Lower-chest slice from an abdominal CT, just above the liver and spleen — Axial slice 238/242 — soft-tissue window — 512x512 px — 15 organs annotated in this scan (that count is for the whole scan; organs this slice misses have no box)
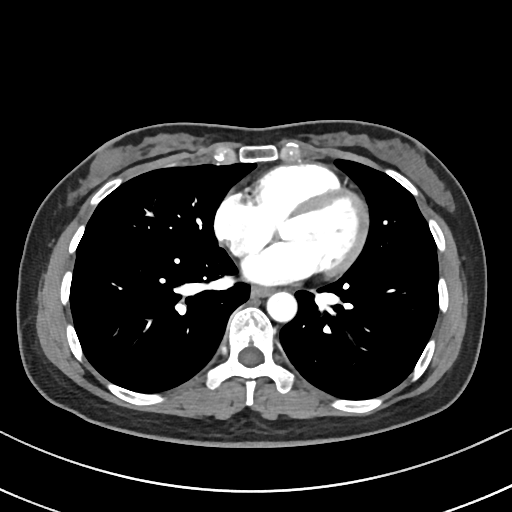
No part of the heart or lungs is labeled in this dataset, so neither has a box here.
Bounding boxes in pixels, one row per box: x1, y1 is the top-left corner and x2, y2 the bottom-right.
| organ | x1 | y1 | x2 | y2 |
|---|---|---|---|---|
| aorta | 266 | 292 | 296 | 322 |
| esophagus | 251 | 287 | 270 | 298 |